CT, abdomen/pelvis. axial view. 512x512 px
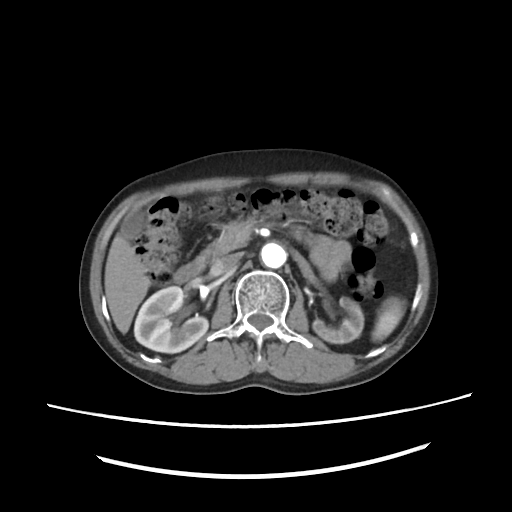 Boxes are (x1, y1, x2, y2) in pixels.
Organ bounding boxes:
- gall bladder: (122, 211, 146, 238)
- liver: (105, 237, 147, 333)
- pancreas: (196, 215, 267, 267)
- aorta: (260, 242, 286, 268)
- right kidney: (134, 286, 208, 353)
- left kidney: (312, 297, 363, 343)
- duodenum: (172, 264, 201, 283)
- inferior vena cava: (211, 254, 238, 274)
- spleen: (372, 301, 405, 341)